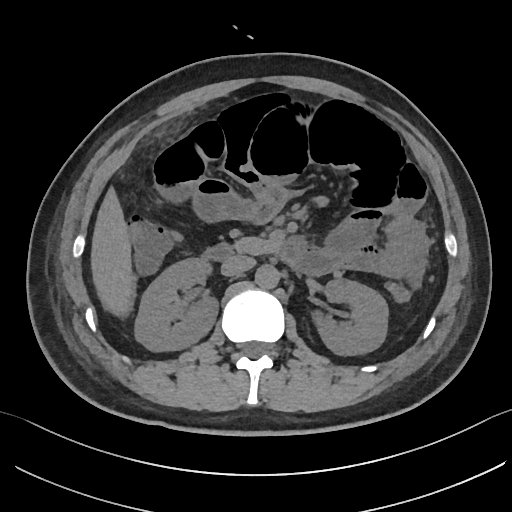 CT abdomen. axial view. 512x512 px
<organs><organ name="right kidney" x1="135" y1="259" x2="218" y2="352"/><organ name="left kidney" x1="318" y1="279" x2="387" y2="355"/><organ name="liver" x1="89" y1="186" x2="135" y2="313"/><organ name="aorta" x1="255" y1="265" x2="280" y2="289"/><organ name="inferior vena cava" x1="220" y1="256" x2="255" y2="276"/><organ name="pancreas" x1="233" y1="236" x2="281" y2="254"/><organ name="duodenum" x1="201" y1="237" x2="305" y2="266"/></organs>